Abdominal CT; Axial slice 84/112; 768x768 px; 45-year-old male patient
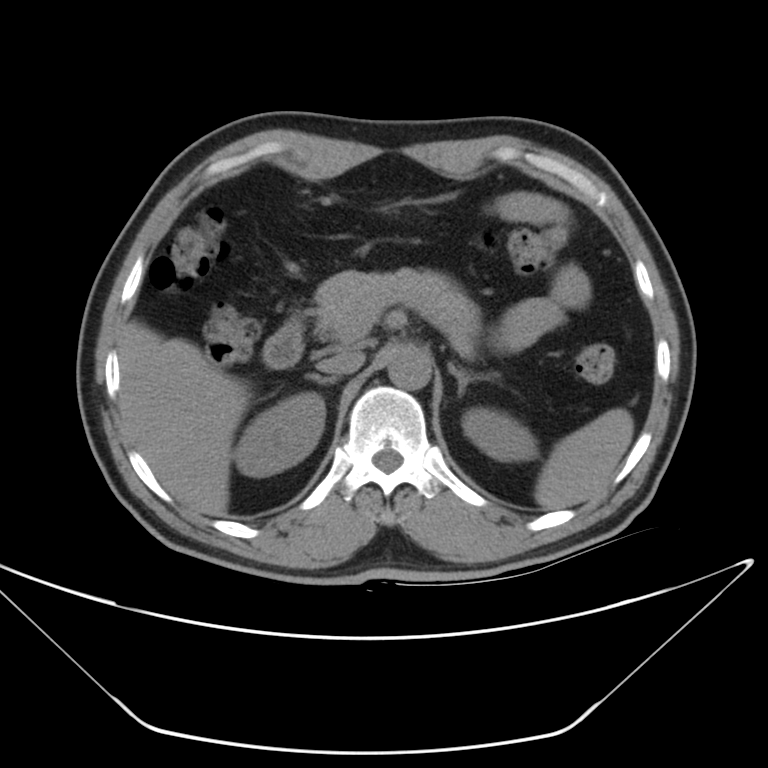 Organ boxes in pixel coordinates; each row gives the top-left (x1, y1) and bottom-right (x2, y2) corners.
| organ | x1 | y1 | x2 | y2 |
|---|---|---|---|---|
| spleen | 534 | 408 | 632 | 512 |
| right kidney | 238 | 391 | 325 | 475 |
| left kidney | 463 | 408 | 534 | 458 |
| liver | 119 | 322 | 246 | 515 |
| aorta | 389 | 342 | 433 | 390 |
| inferior vena cava | 315 | 349 | 365 | 375 |
| pancreas | 316 | 271 | 477 | 341 |
| right adrenal gland | 306 | 374 | 339 | 384 |
| left adrenal gland | 448 | 362 | 500 | 392 |
| duodenum | 263 | 325 | 301 | 366 |